Computed tomography, abdomen. axial plane, index 28. soft-tissue window. acquired on SOMATOM Force
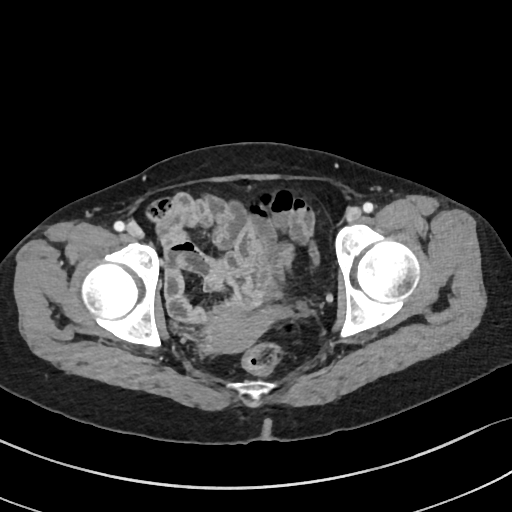

{"organs":{"prostate/uterus":[205,304,272,352]}}